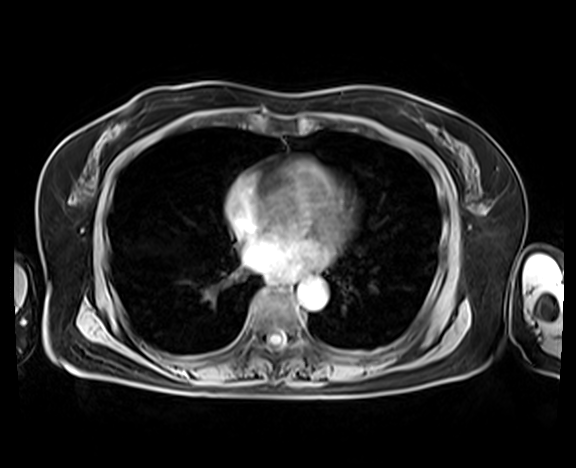
Abdominal MRI; this slice is in the lower chest, just above the liver; axial view; 576x468 px; Prisma scanner
Of the structures in the chest, this dataset labels only the esophagus, the aorta and the inferior vena cava; the heart and lungs have no label.
Boxes are (x1, y1, x2, y2) in pixels.
aorta: (298, 278, 328, 310)